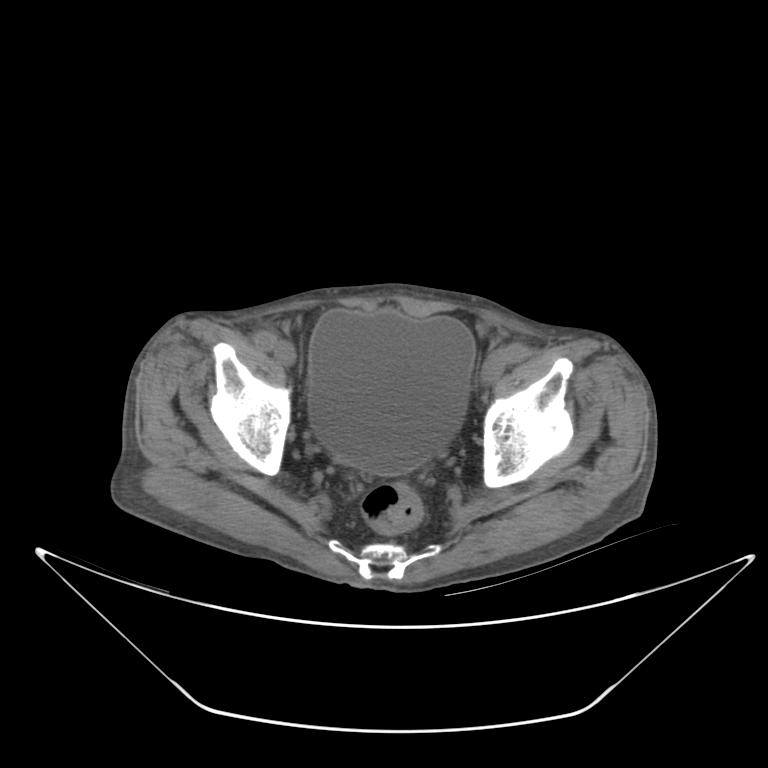

CT, abdomen/pelvis. axial view. abdomen soft-tissue window. 768x768 px. 68-year-old male patient. Brilliance16 scanner
{"organs":{"bladder":[309,309,476,474]}}